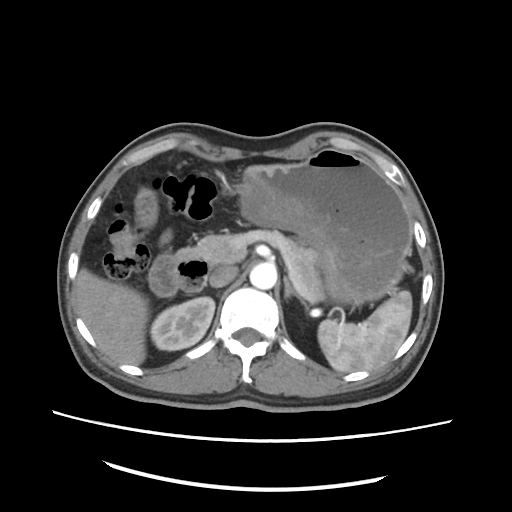 CT abdomen · Axial slice 74/98 · soft-tissue window (W 400 / L 40)
Box edges are left/top/right/bottom in pixels.
liver: left=76, top=269, right=147, bottom=363
stomach: left=239, top=147, right=412, bottom=305
pancreas: left=176, top=233, right=323, bottom=302
spleen: left=318, top=291, right=411, bottom=373
duodenum: left=147, top=254, right=207, bottom=297
inferior vena cava: left=209, top=267, right=236, bottom=287
left adrenal gland: left=284, top=276, right=309, bottom=318
aorta: left=249, top=263, right=276, bottom=289
right kidney: left=149, top=297, right=214, bottom=350